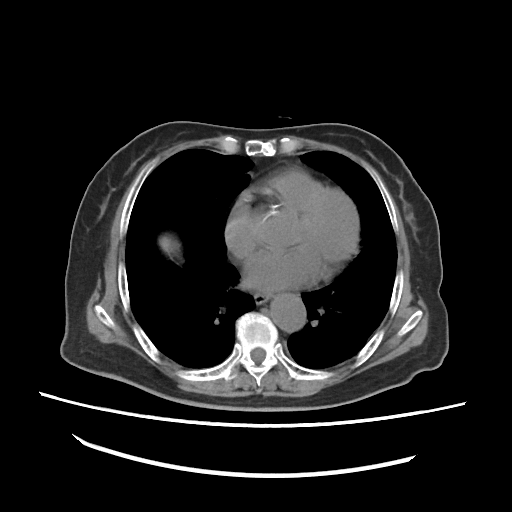

Abdominal CT. Axial slice 93/100. soft-tissue window. 512x512 px. 75-year-old female patient
Organ boxes in pixel coordinates; each row gives the top-left (x1, y1) and bottom-right (x2, y2) corners.
| organ | x1 | y1 | x2 | y2 |
|---|---|---|---|---|
| esophagus | 253 | 292 | 267 | 302 |
| aorta | 267 | 295 | 305 | 331 |
| liver | 159 | 235 | 173 | 253 |